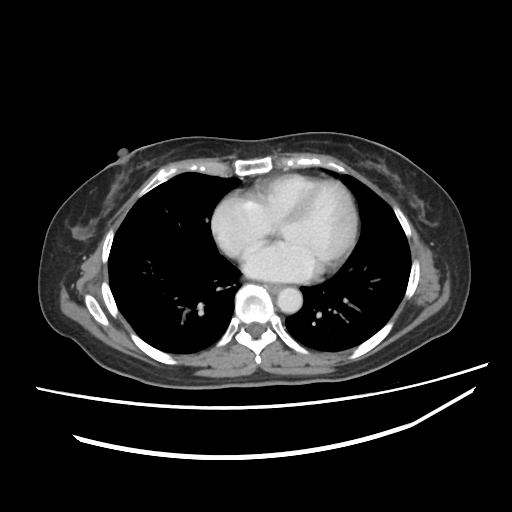 Lower-chest slice from an abdominal CT, just above the liver and spleen — axial plane, index 90 — soft-tissue window — 54-year-old female patient
Of the structures in the chest, this dataset labels only the esophagus, the aorta and the inferior vena cava; the heart and lungs have no label.
{"organs":{"esophagus":[266,284,281,292],"aorta":[277,287,302,313]}}